Abdominal CT; Axial slice 85/175; 512x512 px
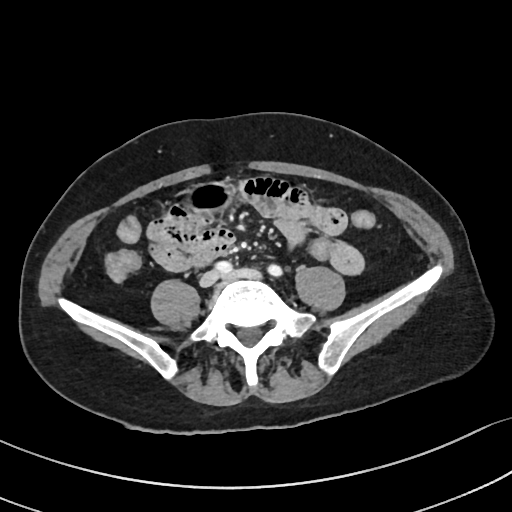

Bounding boxes in pixels, one row per box: x1, y1 is the top-left corner and x2, y2 the bottom-right.
| organ | x1 | y1 | x2 | y2 |
|---|---|---|---|---|
| stomach | 181 | 182 | 234 | 212 |